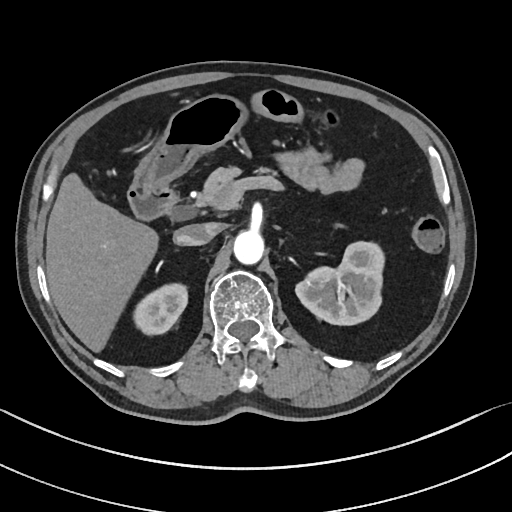

CT abdomen · axial plane, index 157 · 512x512 px · acquired on SOMATOM Force
Boxes: x1 y1 x2 y2 (pixel coords, space-separated).
Organ bounding boxes:
- right kidney: 135 282 188 335
- left kidney: 295 241 385 324
- liver: 46 174 156 350
- stomach: 133 95 245 189
- aorta: 233 230 263 263
- inferior vena cava: 173 223 217 245
- pancreas: 194 167 238 207
- duodenum: 128 185 180 222